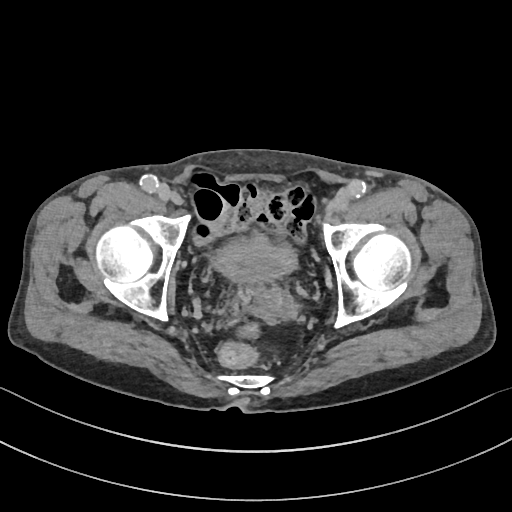

Abdominal CT — Axial slice 41/204 — scan has 15 labeled organs (that count is for the whole scan; organs this slice misses have no box)
{"organs":{"bladder":[212,235,297,283]}}